Computed tomography, abdomen · Axial slice 210/297 · 512x512 px
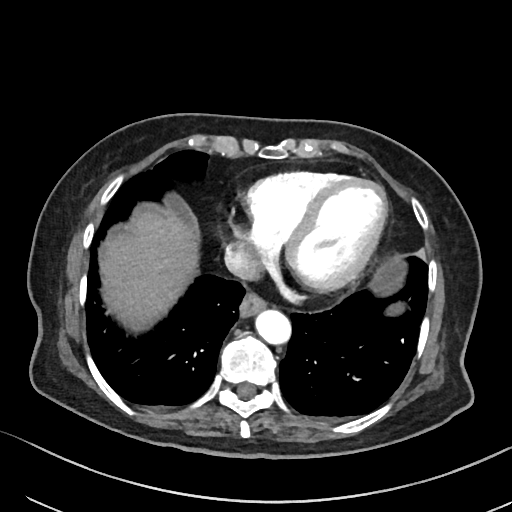

{"organs":{"esophagus":[239,291,266,316],"liver":[100,215,200,327],"aorta":[254,308,290,343],"inferior vena cava":[224,240,261,279]}}